Abdominal CT · axial plane, index 66 · W/L 400/40 HU · 15 organs annotated in this scan (that count is for the whole scan; organs this slice misses have no box)
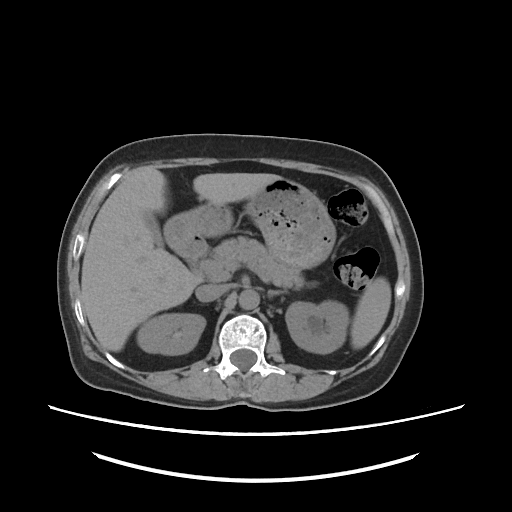 {"organs":{"spleen":[350,277,390,348],"right kidney":[138,313,205,355],"left kidney":[286,301,347,353],"gall bladder":[143,210,164,244],"liver":[80,167,282,351],"stomach":[163,178,335,271],"aorta":[238,288,258,309],"inferior vena cava":[195,285,226,301],"pancreas":[212,237,303,291],"left adrenal gland":[267,290,285,300]}}